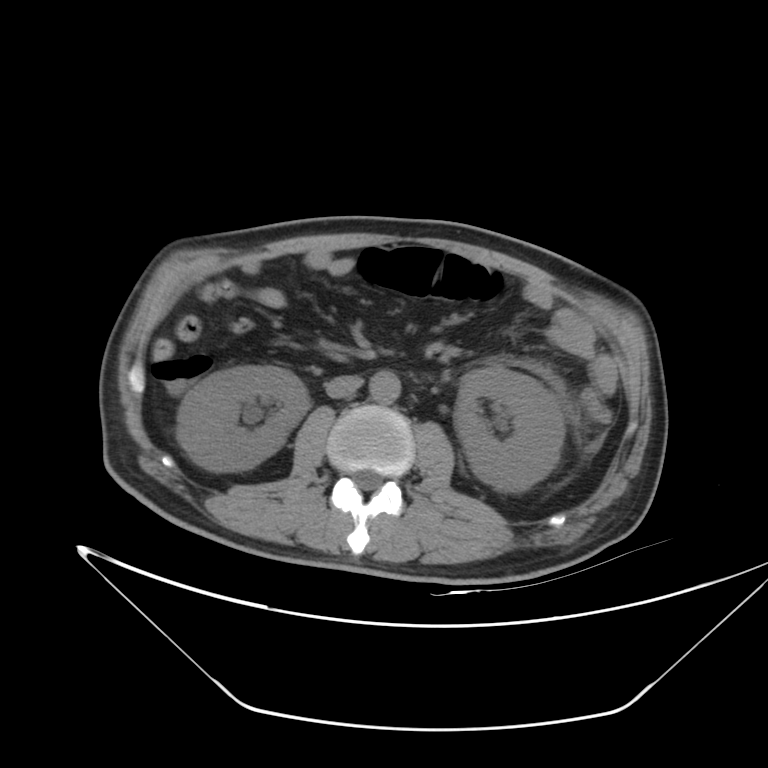
CT, abdomen/pelvis. axial plane, index 61. soft-tissue window (W 400 / L 40). Brilliance16 scanner
Each box given as x1,y1,x2,y2. Labeled organs on this slice: right kidney at x1=177, y1=366, x2=309, y2=471, left kidney at x1=454, y1=367, x2=565, y2=491, aorta at x1=370, y1=370, x2=401, y2=404, inferior vena cava at x1=326, y1=375, x2=362, y2=397.